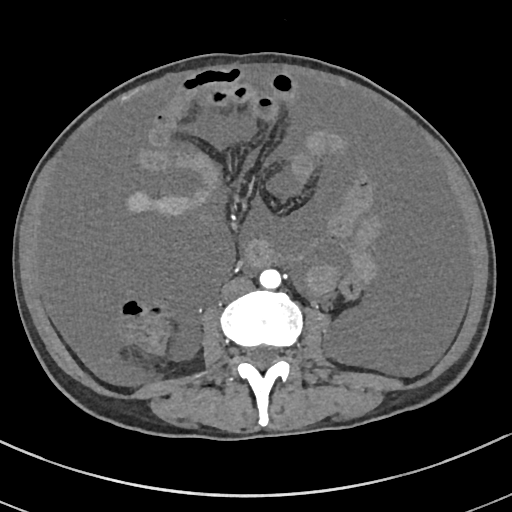

Abdominal CT. axial plane, index 112. W/L 400/40 HU. 512x512 px. SOMATOM Force scanner
Each box given as x1,y1,x2,y2.
Organ bounding boxes:
- aorta: x1=259, y1=268, x2=281, y2=289
- inferior vena cava: x1=221, y1=277, x2=253, y2=302